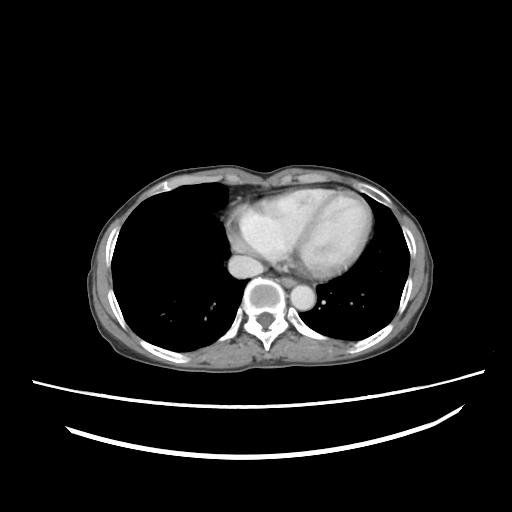
Abdominal CT; this slice is in the lower chest, just above the liver — axial view — soft-tissue window — 512x512 px
The heart and lungs are never labeled in this dataset, so they have no box on this slice.
<organs><organ name="inferior vena cava" x1="228" y1="255" x2="263" y2="277"/><organ name="aorta" x1="291" y1="286" x2="315" y2="310"/><organ name="esophagus" x1="280" y1="278" x2="294" y2="288"/></organs>